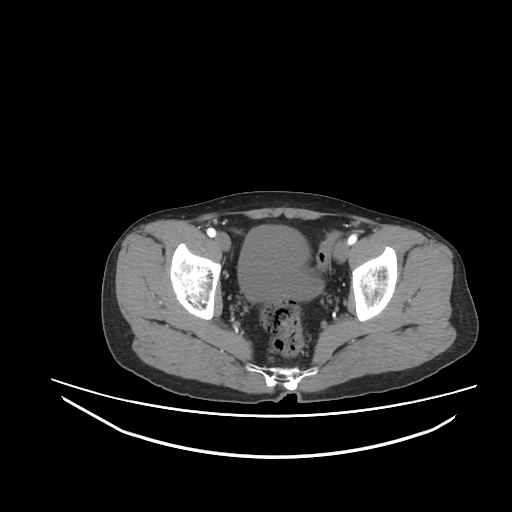 Abdominal CT — Axial slice 25/134 — 512x512 px — 15 organs annotated in this scan (that count is for the whole scan; organs this slice misses have no box)
Box edges are left/top/right/bottom in pixels.
bladder: left=238, top=225, right=323, bottom=302